Abdominal CT · axial view · soft-tissue window · scan has 15 labeled organs (a whole-scan count: organs this slice does not pass through have no box)
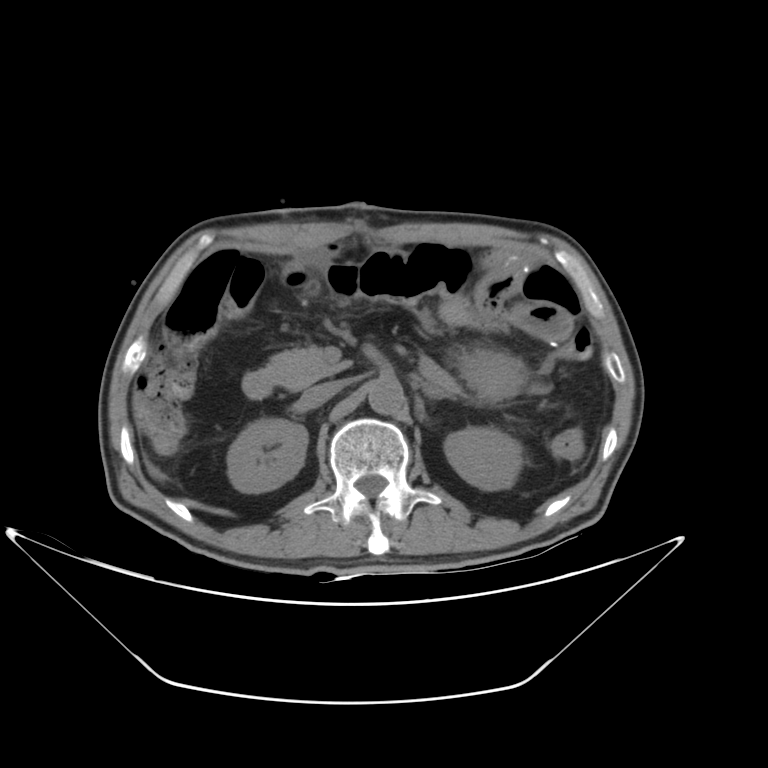 <organs><organ name="right kidney" x1="226" y1="418" x2="307" y2="494"/><organ name="left kidney" x1="136" y1="427" x2="523" y2="491"/><organ name="liver" x1="150" y1="469" x2="159" y2="477"/><organ name="stomach" x1="463" y1="351" x2="523" y2="397"/><organ name="aorta" x1="367" y1="379" x2="403" y2="414"/><organ name="inferior vena cava" x1="300" y1="380" x2="342" y2="408"/><organ name="pancreas" x1="270" y1="346" x2="350" y2="389"/><organ name="left adrenal gland" x1="421" y1="383" x2="443" y2="398"/><organ name="duodenum" x1="242" y1="370" x2="448" y2="398"/></organs>